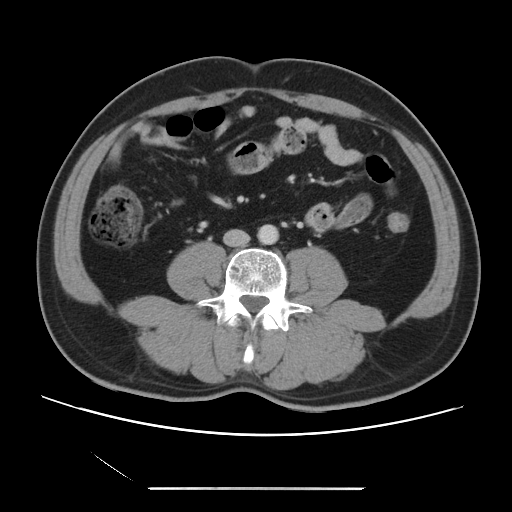 CT, abdomen/pelvis — Axial slice 51/131 — SOMATOM Force scanner
Organ boxes in pixel coordinates; each row gives the top-left (x1, y1) and bottom-right (x2, y2) corners.
| organ | x1 | y1 | x2 | y2 |
|---|---|---|---|---|
| aorta | 257 | 224 | 278 | 244 |
| inferior vena cava | 223 | 229 | 249 | 246 |